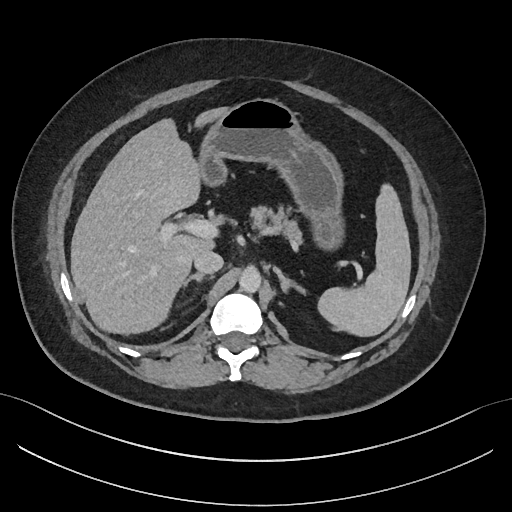

CT, abdomen/pelvis · axial view
Box edges are left/top/right/bottom in pixels.
aorta: left=239, top=266, right=261, bottom=292
inferior vena cava: left=193, top=250, right=224, bottom=274
right adrenal gland: left=183, top=273, right=202, bottom=283
pancreas: left=251, top=206, right=304, bottom=242
left adrenal gland: left=272, top=266, right=304, bottom=291
stomach: left=199, top=98, right=344, bottom=248
liver: left=70, top=108, right=222, bottom=333
spleen: left=319, top=183, right=411, bottom=335